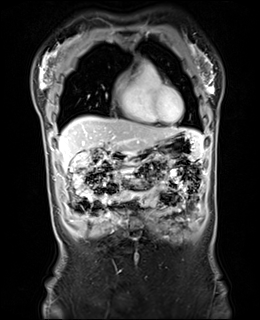 Abdominal MR; coronal acquisition
<organs><organ name="liver" x1="58" y1="116" x2="202" y2="170"/><organ name="stomach" x1="119" y1="130" x2="203" y2="165"/><organ name="duodenum" x1="109" y1="151" x2="125" y2="162"/></organs>